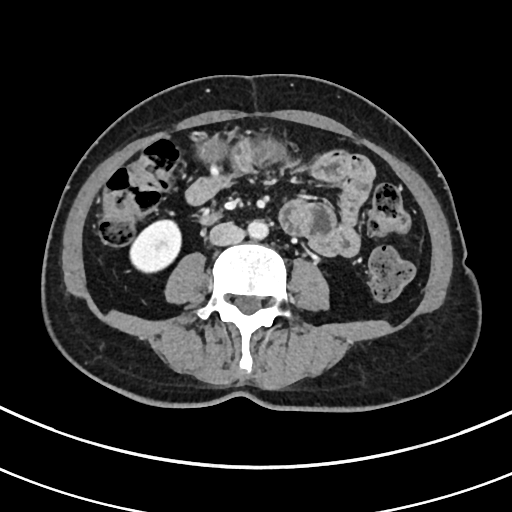 CT, abdomen/pelvis · axial view
Boxes: x1:y1:x2:y2 in pixels.
Organ bounding boxes:
- right kidney: 128:221:182:272
- stomach: 199:142:227:161
- aorta: 248:220:268:239
- inferior vena cava: 208:223:245:246
- duodenum: 198:211:221:225